Computed tomography, abdomen · axial view · 768x768 px · 65-year-old male patient · 15 organs annotated in this scan (that count is for the whole scan; organs this slice misses have no box)
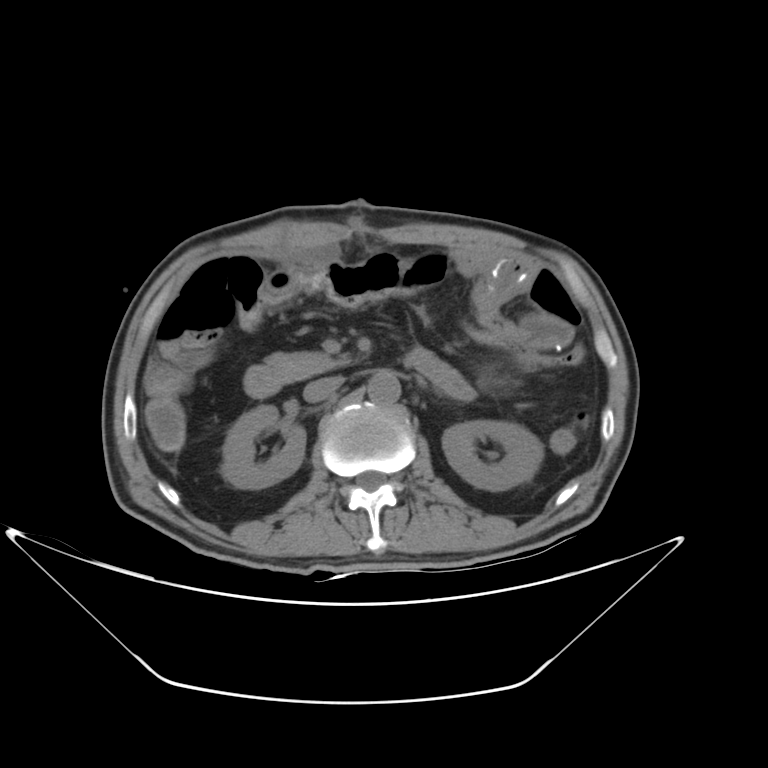
<organs><organ name="right kidney" x1="221" y1="406" x2="305" y2="489"/><organ name="left kidney" x1="441" y1="420" x2="543" y2="491"/><organ name="aorta" x1="367" y1="371" x2="400" y2="405"/><organ name="inferior vena cava" x1="304" y1="376" x2="344" y2="402"/><organ name="pancreas" x1="264" y1="352" x2="349" y2="382"/><organ name="duodenum" x1="244" y1="348" x2="438" y2="398"/></organs>